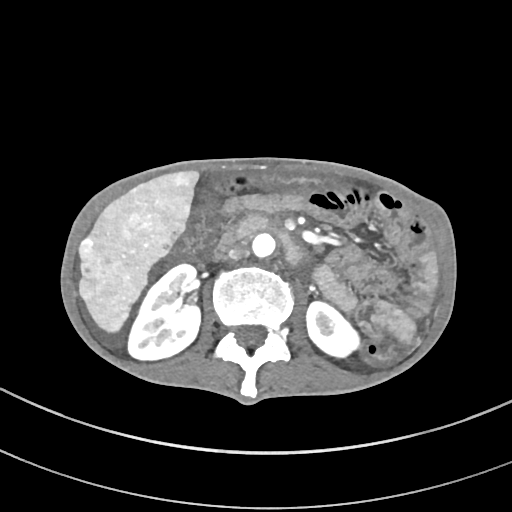
Abdominal CT — Axial slice 125/218 — 512x512 px — SOMATOM Force scanner
Boxes: x1:y1:x2:y2 in pixels.
Organ bounding boxes:
- right kidney: 128:264:200:360
- left kidney: 306:301:359:356
- liver: 79:171:198:332
- aorta: 252:233:277:258
- inferior vena cava: 228:245:248:259
- duodenum: 237:215:303:263